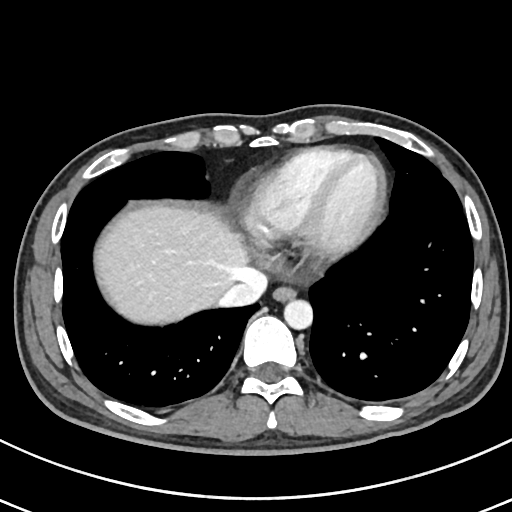
Abdominal CT — axial view — soft-tissue window (W 400 / L 40)
{"organs":{"esophagus":[272,286,296,301],"liver":[94,202,248,324],"aorta":[283,299,312,329],"inferior vena cava":[220,268,267,306]}}